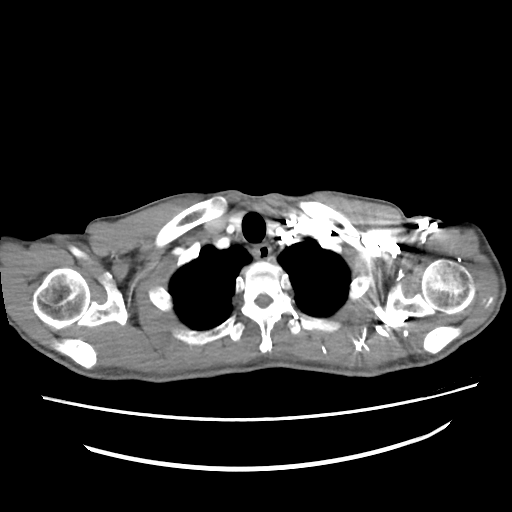
Abdominal CT reaching into the chest; this slice is in the chest — axial view — W/L 400/40 HU — 512x512 px — scan has 14 labeled organs (that count is for the whole scan; organs this slice misses have no box)
At this level of the chest no structure but the esophagus and the aorta has a label in this dataset, and those two are boxed only where they are labeled.
<organs><organ name="esophagus" x1="253" y1="245" x2="270" y2="260"/></organs>